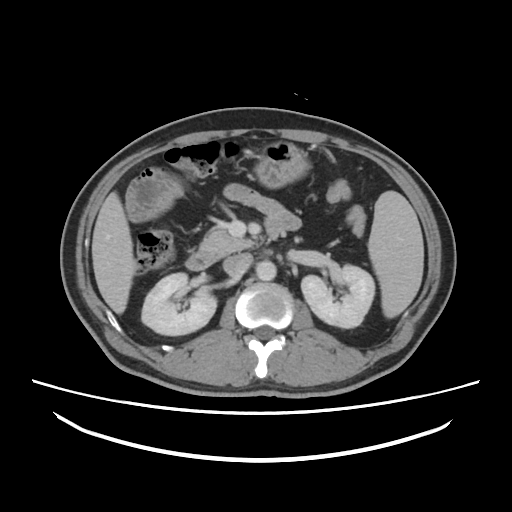
Abdominal CT; axial view; 31-year-old male patient; 15 organs annotated in this scan (counted over the whole 3D scan, not this slice; an organ is boxed only where this slice passes through it)
Coordinates as <box>x1,y1,x2,y2</box> in pixels.
spleen: <box>368,191,423,317</box>
right kidney: <box>141,273,216,335</box>
left kidney: <box>301,264,374,328</box>
liver: <box>91,192,136,314</box>
stomach: <box>255,141,308,188</box>
aorta: <box>256,260,276,280</box>
inferior vena cava: <box>223,252,252,276</box>
pancreas: <box>200,229,255,255</box>
duodenum: <box>185,211,299,270</box>